CT, abdomen/pelvis · axial view · W/L 400/40 HU · 768x768 px · acquired on Brilliance16 · 15 organs annotated in this scan (that count is for the whole scan; organs this slice misses have no box)
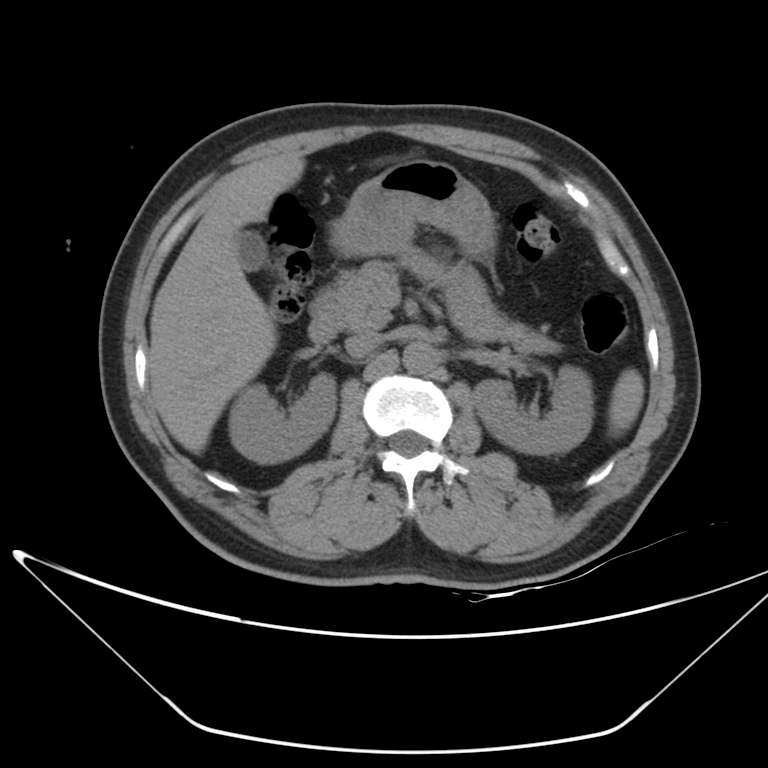 Bounding boxes in pixels, one row per box: x1, y1 is the top-left corner and x2, y2 the bottom-right.
| organ | x1 | y1 | x2 | y2 |
|---|---|---|---|---|
| spleen | 608 | 368 | 644 | 436 |
| right kidney | 228 | 374 | 336 | 463 |
| left kidney | 473 | 366 | 594 | 454 |
| gall bladder | 234 | 231 | 266 | 270 |
| liver | 148 | 153 | 304 | 453 |
| stomach | 331 | 159 | 496 | 257 |
| aorta | 402 | 342 | 436 | 374 |
| inferior vena cava | 344 | 332 | 382 | 356 |
| pancreas | 311 | 258 | 561 | 355 |
| duodenum | 308 | 316 | 340 | 343 |